CT, abdomen/pelvis; Axial slice 91/133; Aquilion ONE scanner
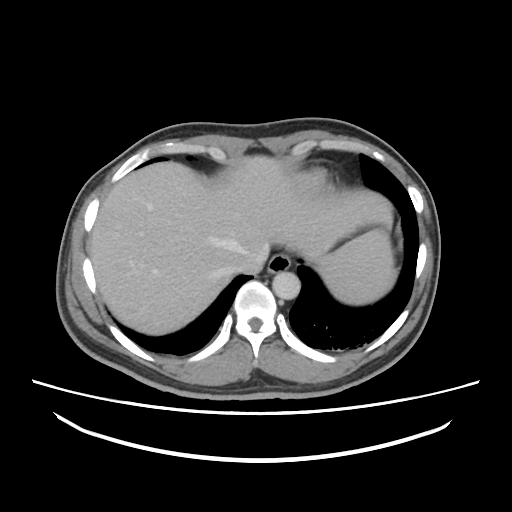 Each box given as x1,y1,x2,y2. 5 labeled organs on this slice — spleen at x1=316, y1=229, x2=396, y2=304; inferior vena cava at x1=234, y1=251, x2=268, y2=273; aorta at x1=272, y1=271, x2=300, y2=299; liver at x1=90, y1=155, x2=392, y2=335; esophagus at x1=267, y1=254, x2=291, y2=273.